Abdominal CT — axial view — soft-tissue window — 768x768 px
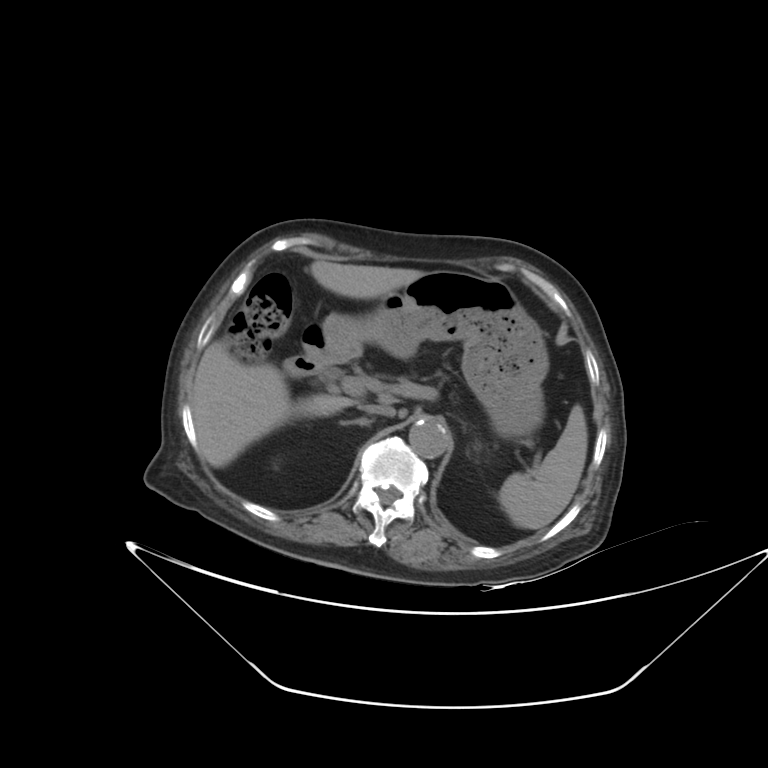

Boxes: x1 y1 x2 y2 (pixel coords, space-separated).
Organ bounding boxes:
- spleen: 498 405 587 529
- liver: 190 260 423 467
- stomach: 321 270 548 439
- aorta: 409 419 448 458
- inferior vena cava: 361 404 395 416
- right adrenal gland: 339 417 373 425
- duodenum: 284 324 364 377